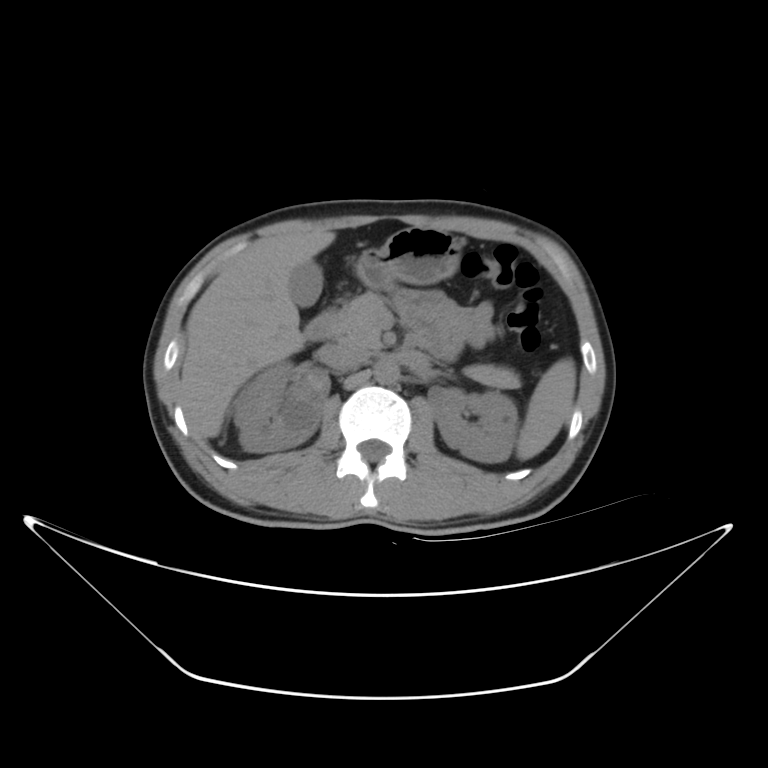

Abdominal CT — axial view
<organs><organ name="spleen" x1="517" y1="356" x2="577" y2="459"/><organ name="right kidney" x1="234" y1="364" x2="321" y2="451"/><organ name="left kidney" x1="426" y1="386" x2="518" y2="464"/><organ name="gall bladder" x1="287" y1="259" x2="322" y2="306"/><organ name="liver" x1="180" y1="227" x2="335" y2="436"/><organ name="stomach" x1="353" y1="226" x2="462" y2="288"/><organ name="aorta" x1="375" y1="359" x2="399" y2="385"/><organ name="inferior vena cava" x1="320" y1="339" x2="371" y2="368"/><organ name="pancreas" x1="339" y1="296" x2="384" y2="350"/><organ name="duodenum" x1="302" y1="308" x2="337" y2="340"/></organs>